Chest-level CT slice, above the liver and spleen. axial view. W/L 400/40 HU
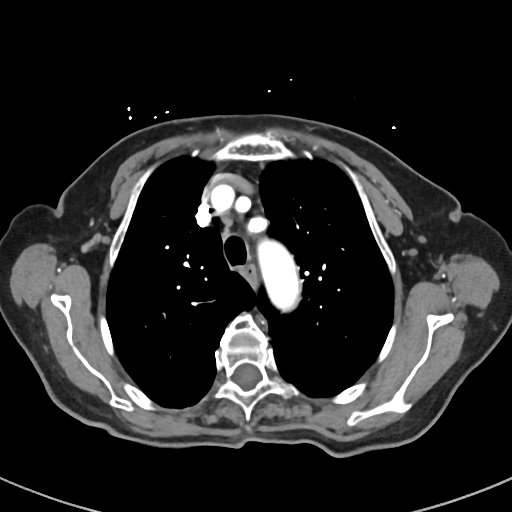

At this level of the chest no structure but the esophagus and the aorta has a label in this dataset, and those two are boxed only where they are labeled.
One row per box, in pixels: columns x1 and y1 give the top-left corner, x2 and y2 the bottom-right.
| organ | x1 | y1 | x2 | y2 |
|---|---|---|---|---|
| esophagus | 239 | 265 | 257 | 288 |
| aorta | 257 | 239 | 300 | 311 |